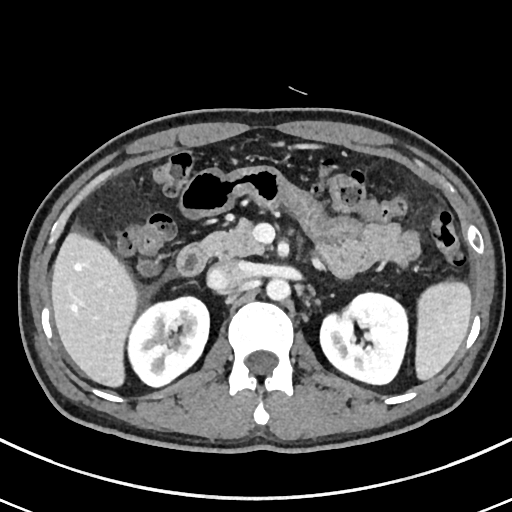

CT abdomen; Axial slice 148/218; soft-tissue window; acquired on SOMATOM Force
Each box given as x1,y1,x2,y2. The annotated organs in this slice are: spleen at x1=416, y1=282, x2=471, y2=379, right kidney at x1=128, y1=297, x2=209, y2=386, left kidney at x1=321, y1=292, x2=409, y2=384, liver at x1=51, y1=234, x2=138, y2=386, aorta at x1=266, y1=278, x2=291, y2=300, inferior vena cava at x1=207, y1=260, x2=250, y2=290, pancreas at x1=200, y1=219, x2=264, y2=258, duodenum at x1=175, y1=245, x2=207, y2=275.